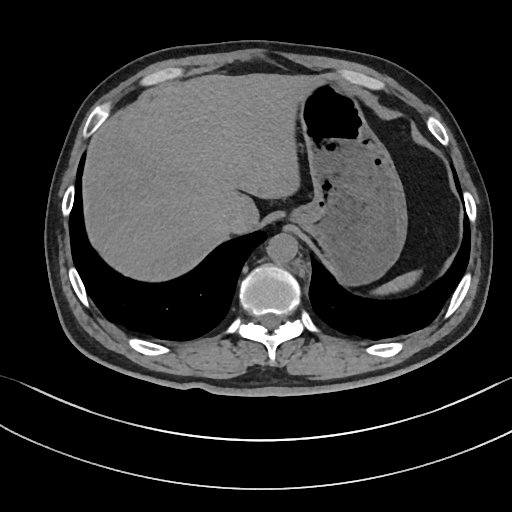

CT abdomen; axial view; 512x512 px
Boxes are (x1, y1, x2, y2) in pixels.
spleen: (373, 270, 420, 295)
liver: (82, 73, 317, 281)
stomach: (291, 81, 407, 285)
aorta: (266, 233, 297, 264)
inferior vena cava: (220, 207, 243, 232)